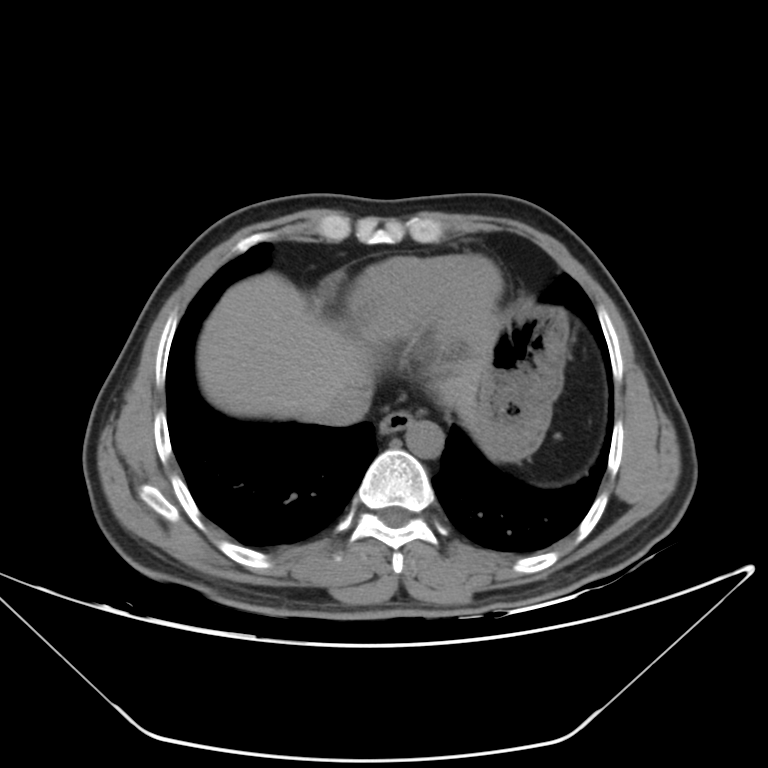 CT abdomen. axial view. 50-year-old male patient. 15 organs annotated in this scan (counted over the whole 3D scan, not this slice; an organ is boxed only where this slice passes through it)
Boxes are (x1, y1, x2, y2) in pixels.
Organ bounding boxes:
- esophagus: (379, 409, 412, 433)
- liver: (197, 272, 485, 430)
- stomach: (476, 302, 568, 461)
- aorta: (405, 420, 444, 458)
- inferior vena cava: (311, 388, 370, 426)